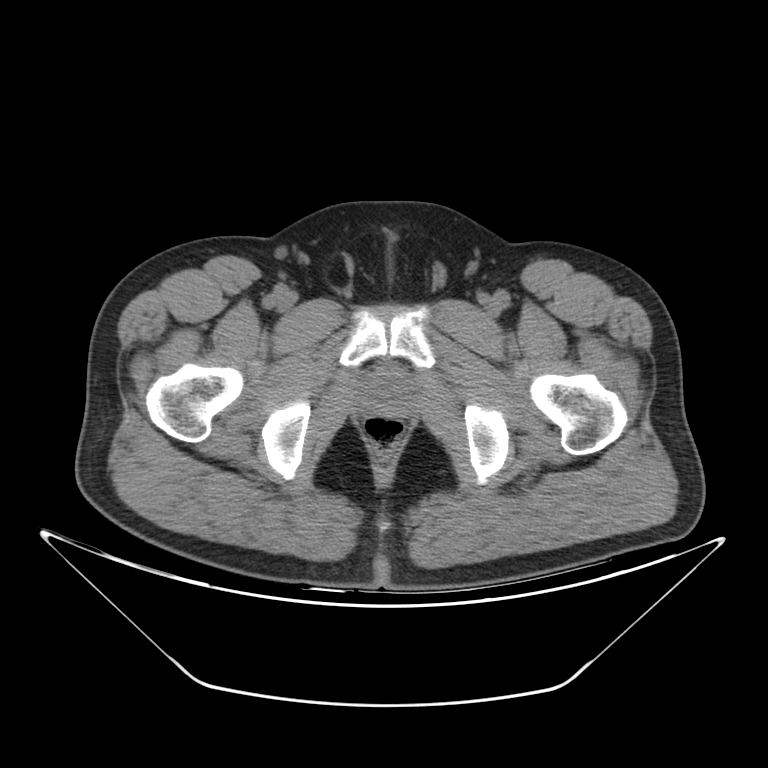 Abdominal CT; axial view; W/L 400/40 HU
<organs><organ name="prostate/uterus" x1="361" y1="369" x2="412" y2="416"/></organs>